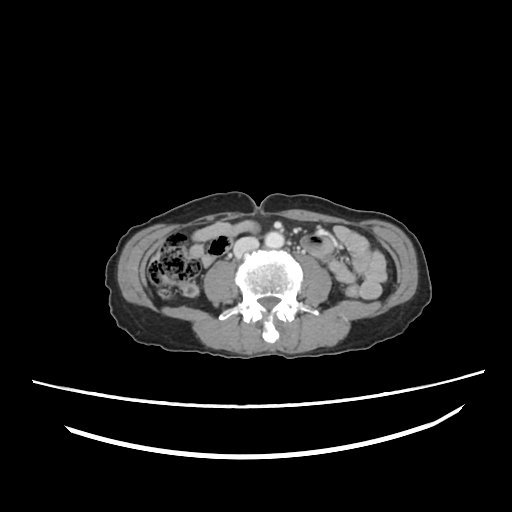 Computed tomography, abdomen — axial view — abdomen soft-tissue window
One row per box, in pixels: columns x1 and y1 give the top-left corner, x2 and y2 the bottom-right.
| organ | x1 | y1 | x2 | y2 |
|---|---|---|---|---|
| aorta | 264 | 230 | 284 | 249 |
| inferior vena cava | 234 | 236 | 257 | 254 |